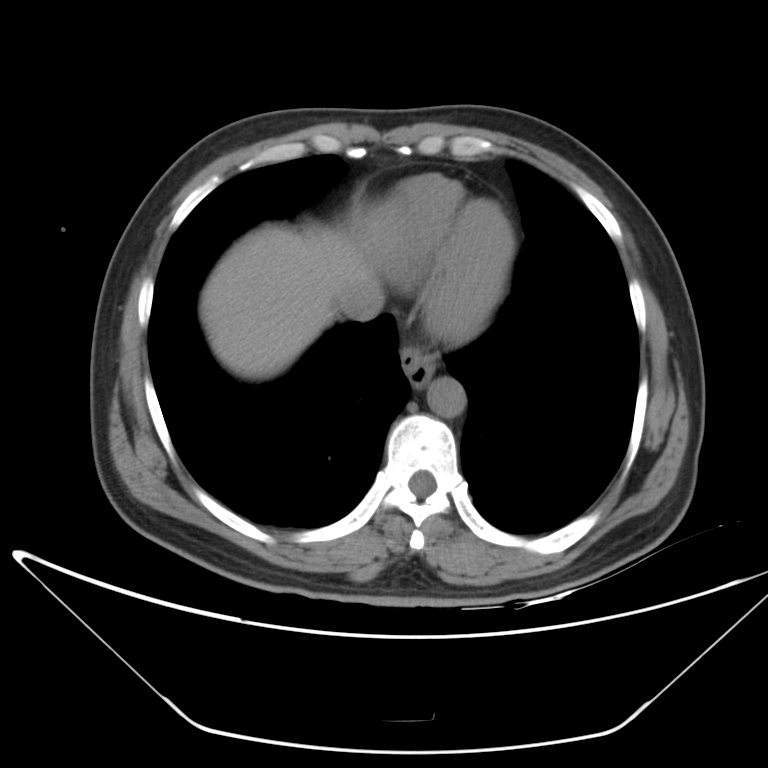
Computed tomography, abdomen; Axial slice 76/84
Each box given as x1,y1,x2,y2.
esophagus: x1=400, y1=345, x2=438, y2=387
liver: x1=200, y1=224, x2=377, y2=379
aorta: x1=427, y1=377, x2=466, y2=417
inferior vena cava: x1=338, y1=279, x2=384, y2=321